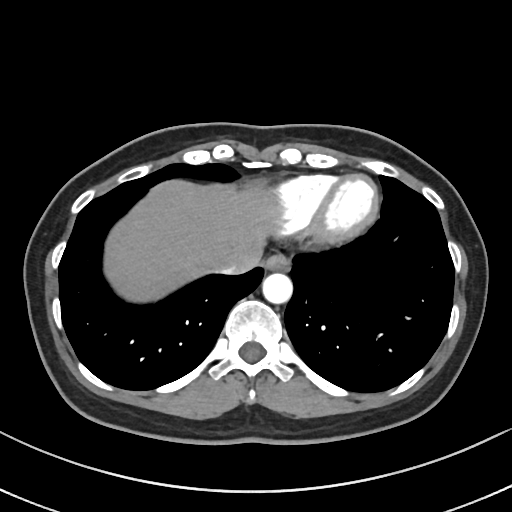
CT abdomen; axial view; abdomen soft-tissue window; 512x512 px
Coordinates as <box>x1,y1,x2,y2</box> in pixels. Labeled organs on this slice: liver at <box>103,178,277,299</box>, esophagus at <box>265,252,290,270</box>, inferior vena cava at <box>217,268,237,274</box>, aorta at <box>262,272,292,303</box>.